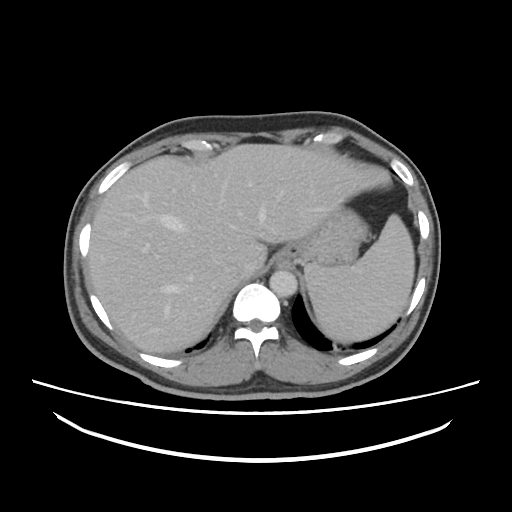

CT, abdomen/pelvis; axial view
Boxes: x1:y1:x2:y2 in pixels.
inferior vena cava: 234:258:255:278
stomach: 275:209:368:266
aorta: 269:270:297:297
liver: 89:144:390:352
spleen: 304:214:414:341